Computed tomography, abdomen · axial view · acquired on SOMATOM Force
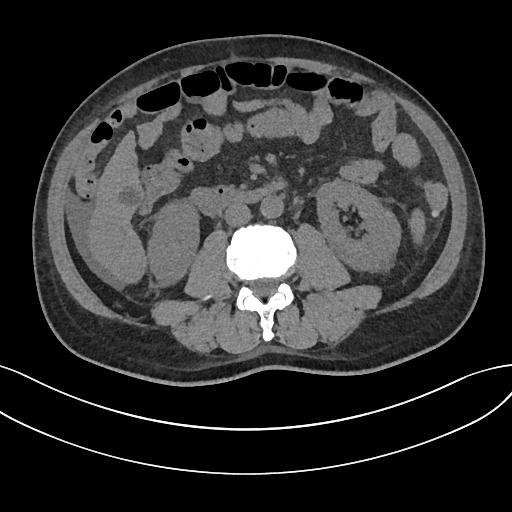 Bounding boxes in pixels, one row per box: x1, y1 is the top-left corner and x2, y2 the bottom-right.
| organ | x1 | y1 | x2 | y2 |
|---|---|---|---|---|
| spleen | 412 | 210 | 423 | 236 |
| right kidney | 148 | 201 | 198 | 282 |
| left kidney | 317 | 180 | 401 | 269 |
| liver | 88 | 133 | 145 | 281 |
| aorta | 260 | 196 | 283 | 218 |
| inferior vena cava | 224 | 203 | 251 | 226 |
| duodenum | 189 | 182 | 282 | 216 |